Abdominal CT. axial view. 61-year-old female patient
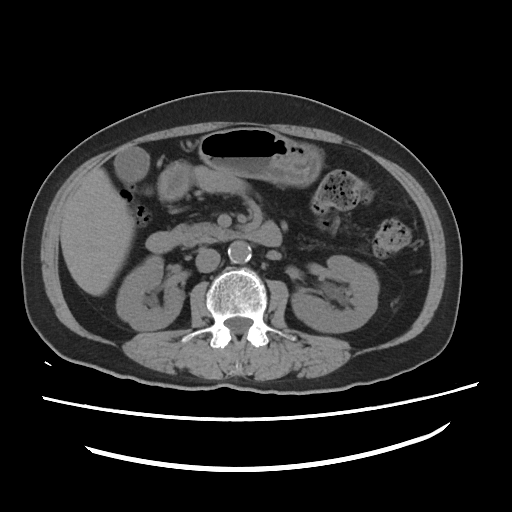

Bounding boxes as [x1, y1, x2, y2] in pixel coordinates. Labeled organs on this slice: left kidney at [291, 255, 378, 332], right kidney at [116, 256, 183, 329], pancreas at [170, 222, 243, 246], duodenum at [146, 222, 281, 252], aorta at [228, 241, 251, 263], liver at [60, 170, 134, 295], inferior vena cava at [195, 248, 220, 272], gall bladder at [114, 147, 149, 182], stomach at [158, 127, 323, 200].